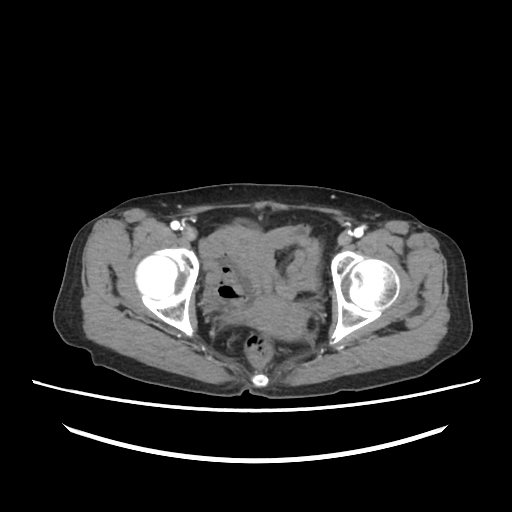

Abdominal CT — axial view — W/L 400/40 HU — acquired on Aquilion ONE
<organs><organ name="prostate/uterus" x1="241" y1="296" x2="307" y2="340"/></organs>